Abdominal CT — axial view
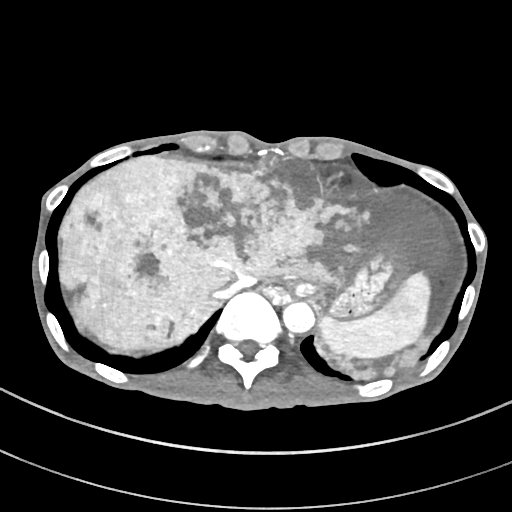

<organs><organ name="spleen" x1="317" y1="271" x2="430" y2="358"/><organ name="liver" x1="58" y1="156" x2="451" y2="378"/><organ name="stomach" x1="293" y1="246" x2="406" y2="317"/><organ name="aorta" x1="282" y1="301" x2="314" y2="332"/><organ name="inferior vena cava" x1="216" y1="273" x2="257" y2="298"/></organs>